Lower-chest slice from an abdominal CT, just above the liver and spleen; axial view; 512x512 px; 15 organs annotated in this scan (a whole-scan count: organs this slice does not pass through have no box)
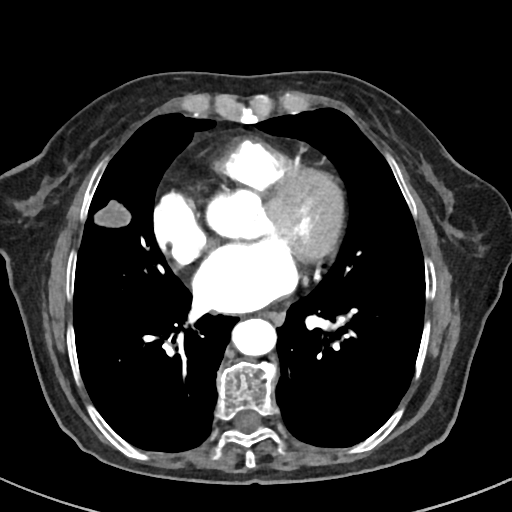

The heart and lungs are never labeled in this dataset, so they have no box on this slice. Boxes: x1 y1 x2 y2 (pixel coords, space-separated). 2 labeled organs on this slice — esophagus at 263 312 285 326; aorta at 232 318 276 356.